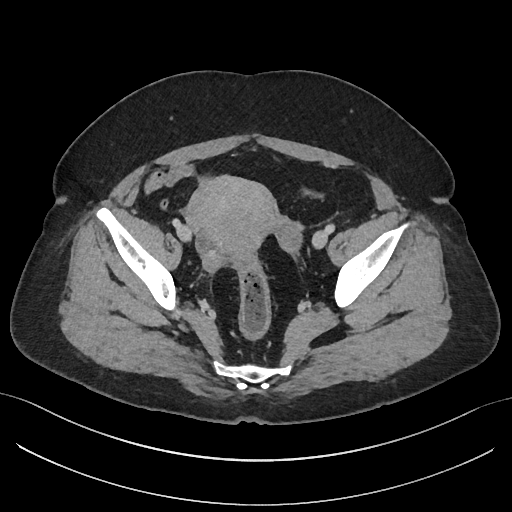 Abdominal CT · axial view · 15 organs annotated in this scan (counted over the whole 3D scan, not this slice; an organ is boxed only where this slice passes through it)
One row per box, in pixels: columns x1 and y1 give the top-left corner, x2 and y2 the bottom-right.
| organ | x1 | y1 | x2 | y2 |
|---|---|---|---|---|
| prostate/uterus | 186 | 177 | 275 | 260 |